MRI of the abdomen reaching into the lower chest, slice just above the liver and spleen. axial view
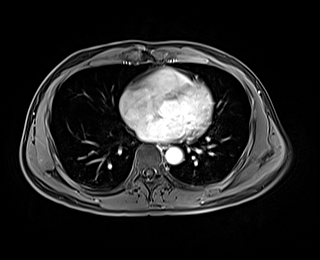
Of the structures in the chest, this dataset labels only the esophagus, the aorta and the inferior vena cava; the heart and lungs have no label.
Bounding boxes in pixels, one row per box: x1, y1 is the top-left corner and x2, y2 the bottom-right.
| organ | x1 | y1 | x2 | y2 |
|---|---|---|---|---|
| aorta | 165 | 147 | 182 | 164 |
| esophagus | 160 | 143 | 168 | 148 |